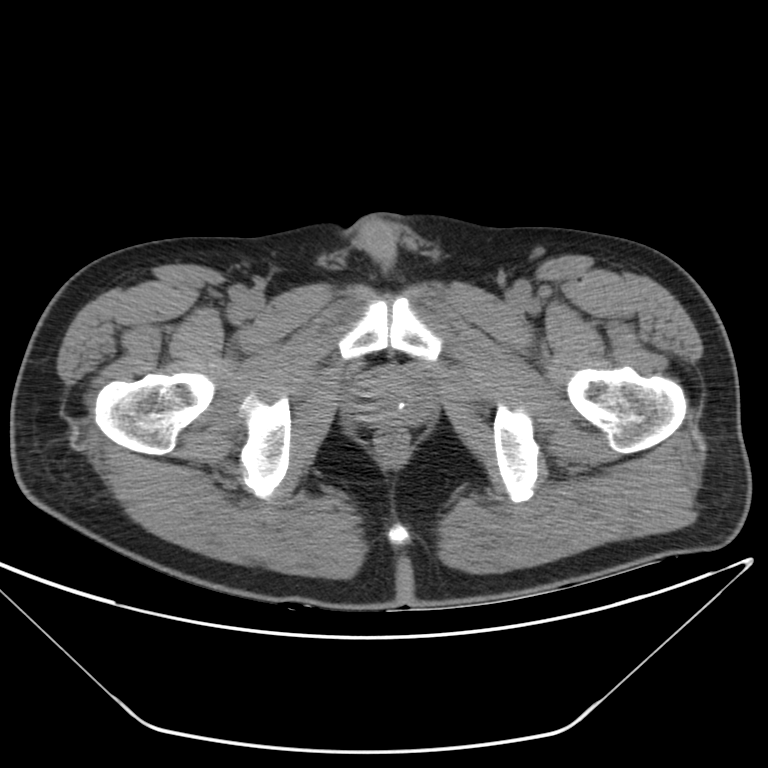

Abdominal CT — axial view — 768x768 px — 45-year-old male patient — acquired on Brilliance16 — scan has 15 labeled organs (counted over the whole 3D scan, not this slice; an organ is boxed only where this slice passes through it)
Each box given as x1,y1,x2,y2. 1 labeled organ on this slice — prostate/uterus at x1=352, y1=372, x2=429, y2=423.